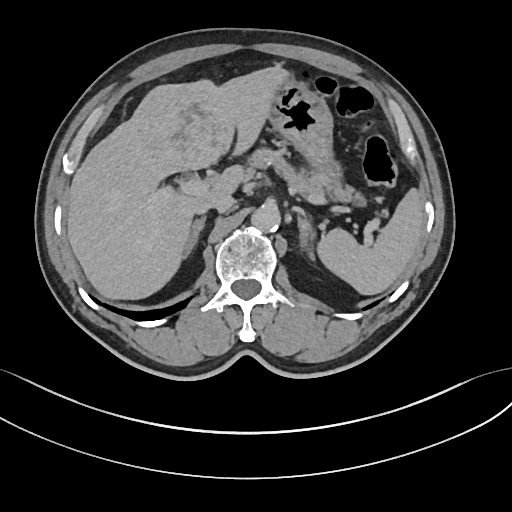

Computed tomography, abdomen · Axial slice 166/224
<organs><organ name="spleen" x1="317" y1="188" x2="422" y2="295"/><organ name="liver" x1="67" y1="66" x2="289" y2="299"/><organ name="stomach" x1="269" y1="80" x2="341" y2="180"/><organ name="aorta" x1="251" y1="205" x2="280" y2="231"/><organ name="inferior vena cava" x1="199" y1="192" x2="234" y2="213"/><organ name="pancreas" x1="248" y1="147" x2="364" y2="204"/><organ name="right adrenal gland" x1="184" y1="216" x2="205" y2="257"/><organ name="left adrenal gland" x1="298" y1="212" x2="315" y2="258"/></organs>